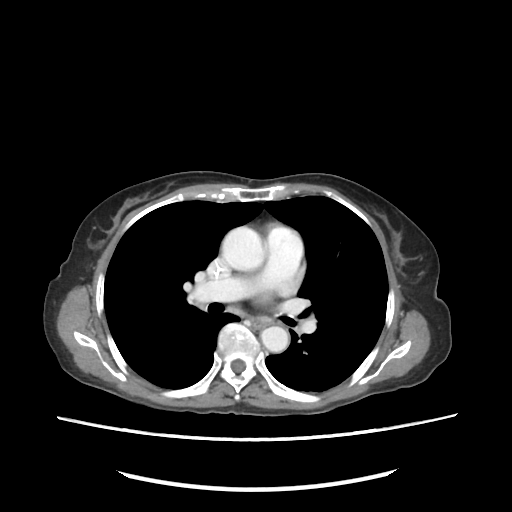
Chest-level slice from an abdominal CT that extends up into the chest. axial plane, index 97. W/L 400/40 HU. 512x512 px. scan has 15 labeled organs (a whole-scan count: organs this slice does not pass through have no box)
At this level of the chest this dataset labels only the esophagus and the aorta, and each is boxed only where it is labeled; the heart and lungs are never labeled.
Bounding boxes in pixels, one row per box: x1, y1 is the top-left corner and x2, y2 the bottom-right.
| organ | x1 | y1 | x2 | y2 |
|---|---|---|---|---|
| aorta | 221 | 226 | 263 | 270 |
| aorta | 260 | 326 | 286 | 352 |